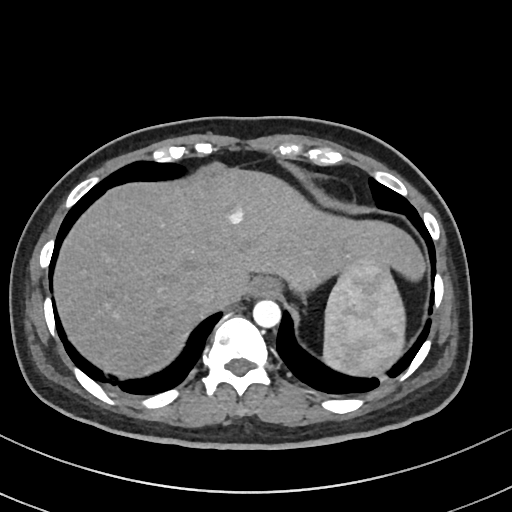
CT, abdomen/pelvis — Axial slice 177/191 — W/L 400/40 HU
{"organs":{"spleen":[323,260,405,376],"esophagus":[247,277,278,299],"liver":[55,170,424,376],"aorta":[253,300,281,328],"inferior vena cava":[190,281,221,307]}}